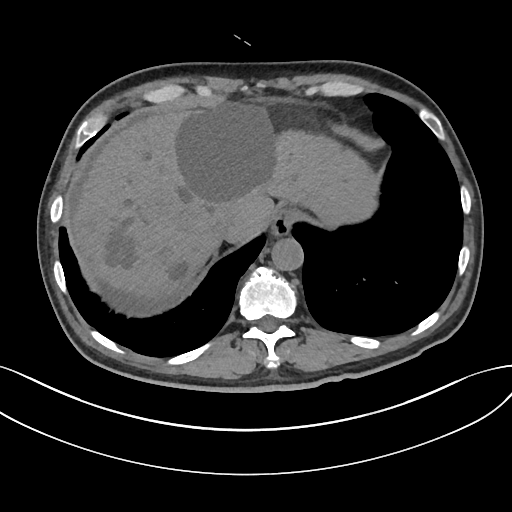

Computed tomography, abdomen · axial plane, index 185 · W/L 400/40 HU · acquired on SOMATOM Force · 15 organs annotated in this scan (a whole-scan count: organs this slice does not pass through have no box)
Box edges are left/top/right/bottom in pixels. 4 labeled organs on this slice — esophagus at left=270, top=211, right=291, bottom=238; liver at left=75, top=105, right=377, bottom=296; aorta at left=272, top=238, right=304, bottom=271; inferior vena cava at left=215, top=207, right=249, bottom=238.